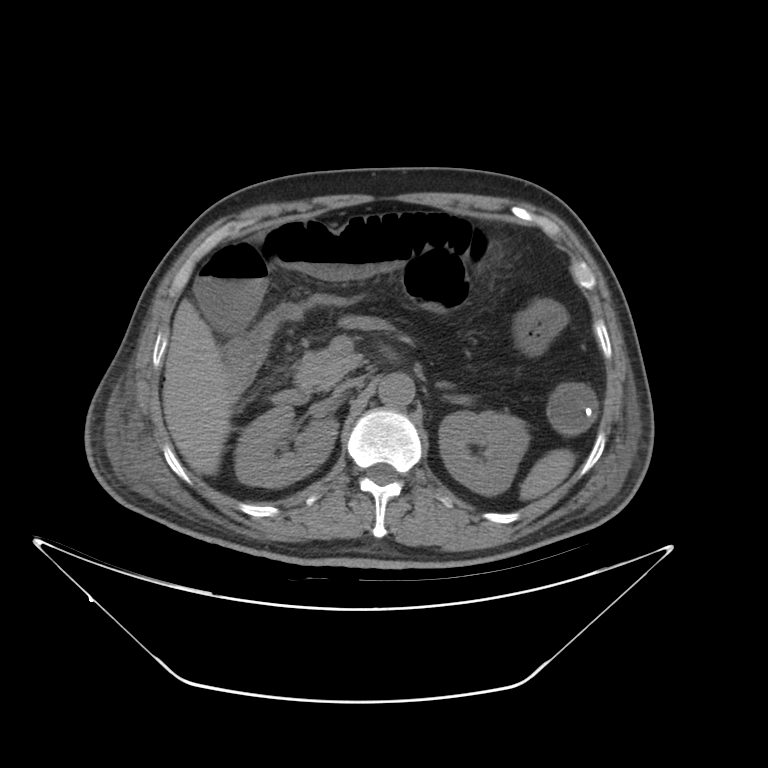 CT abdomen. axial view. W/L 400/40 HU
Bounding boxes as [x1, y1, x2, y2] in pixel coordinates.
left kidney: [437, 412, 528, 496]
aorta: [374, 371, 412, 407]
duodenum: [272, 390, 310, 406]
liver: [161, 299, 326, 480]
left adrenal gland: [437, 382, 450, 387]
right kidney: [236, 407, 336, 484]
spleen: [520, 448, 574, 500]
pancreas: [293, 353, 363, 393]
inferior vena cava: [335, 375, 365, 392]